Computed tomography, abdomen. Axial slice 94/291. scan has 15 labeled organs (a whole-scan count: organs this slice does not pass through have no box)
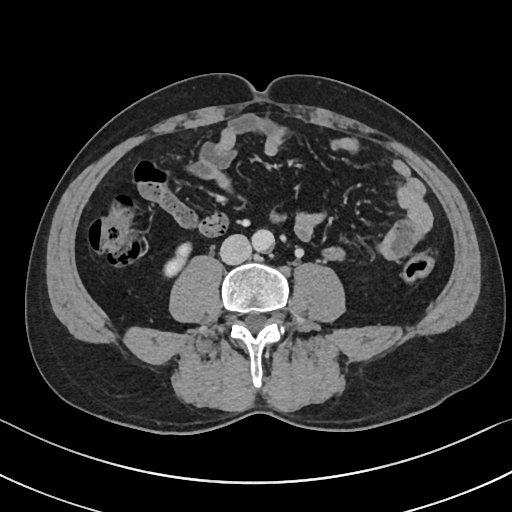
Bounding boxes as [x1, y1, x2, y2] in pixel coordinates.
right kidney: [164, 243, 191, 277]
aorta: [251, 229, 274, 253]
inferior vena cava: [220, 234, 250, 264]